Abdominal CT reaching into the chest; this slice is in the chest — axial view — 15 organs annotated in this scan (a whole-scan count: organs this slice does not pass through have no box)
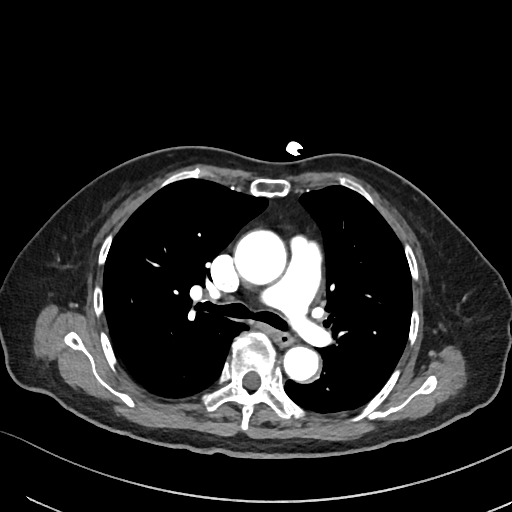 At this level of the chest this dataset labels only the esophagus and the aorta, and each is boxed only where it is labeled; the heart and lungs are never labeled.
<organs><organ name="esophagus" x1="273" y1="330" x2="293" y2="345"/><organ name="aorta" x1="234" y1="230" x2="287" y2="285"/><organ name="aorta" x1="284" y1="346" x2="318" y2="381"/></organs>